CT, abdomen/pelvis; axial view
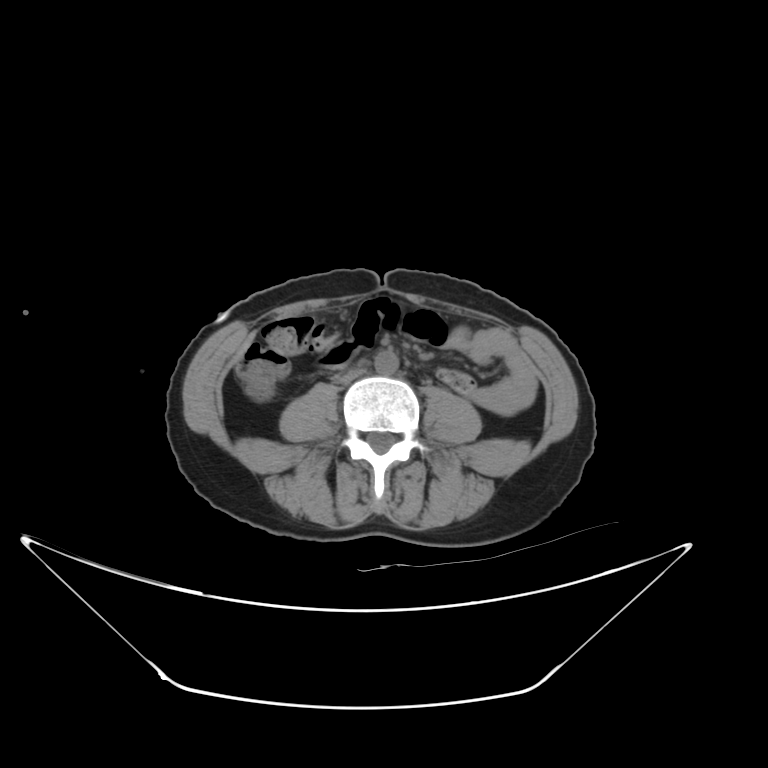 <organs><organ name="aorta" x1="374" y1="350" x2="398" y2="374"/><organ name="inferior vena cava" x1="335" y1="368" x2="365" y2="383"/></organs>